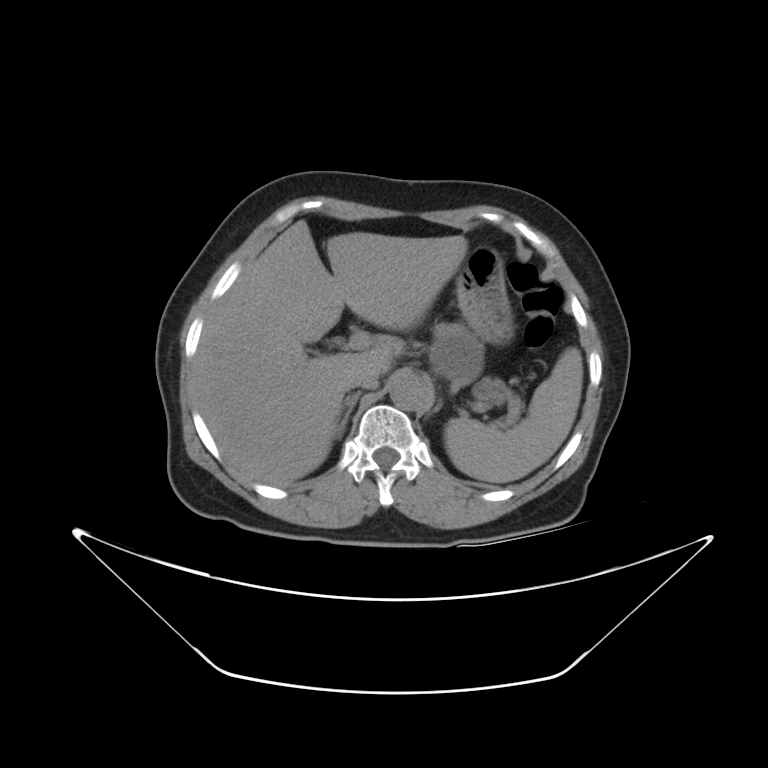
Abdominal CT; Axial slice 70/91; Brilliance16 scanner
Coordinates as <box>x1,y1,x2,y2</box> in pixels.
aorta: <box>384,370,428,412</box>
spleen: <box>443,347,584,482</box>
right adrenal gland: <box>333,390,363,439</box>
stomach: <box>456,248,508,339</box>
liver: <box>193,218,468,482</box>
left adrenal gland: <box>427,394,444,419</box>
pancreas: <box>433,320,503,389</box>
inferior vena cava: <box>350,374,378,388</box>